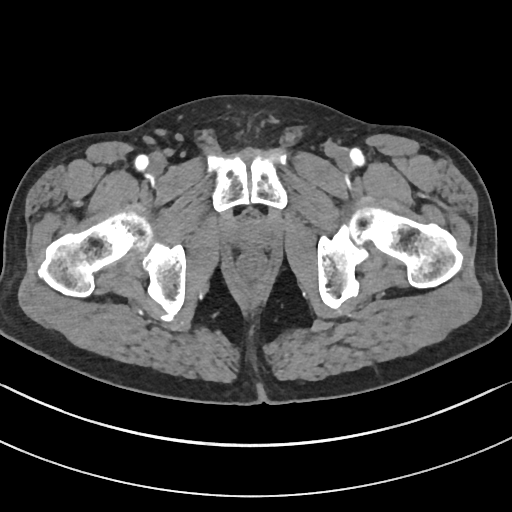

Abdominal CT · axial view
<organs><organ name="prostate/uterus" x1="234" y1="218" x2="271" y2="253"/></organs>